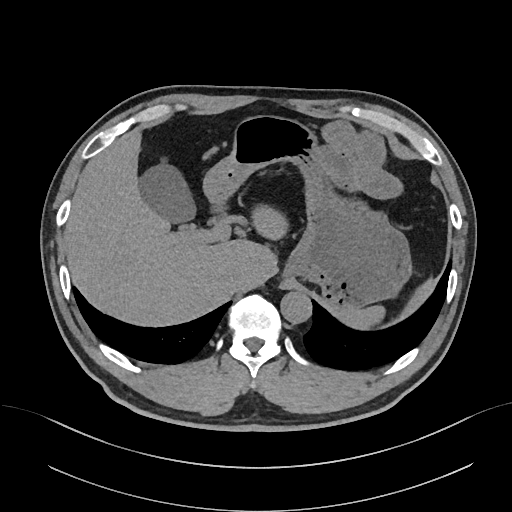
CT, abdomen/pelvis; axial view; soft-tissue window; 512x512 px; scan has 15 labeled organs (that count is for the whole scan; organs this slice misses have no box)
Boxes: x1:y1:x2:y2 in pixels.
stomach: 203:115:410:312
liver: 64:129:288:325
gall bladder: 139:163:196:223
spleen: 336:305:385:329
aorta: 280:291:311:323
inferior vena cava: 227:264:245:283